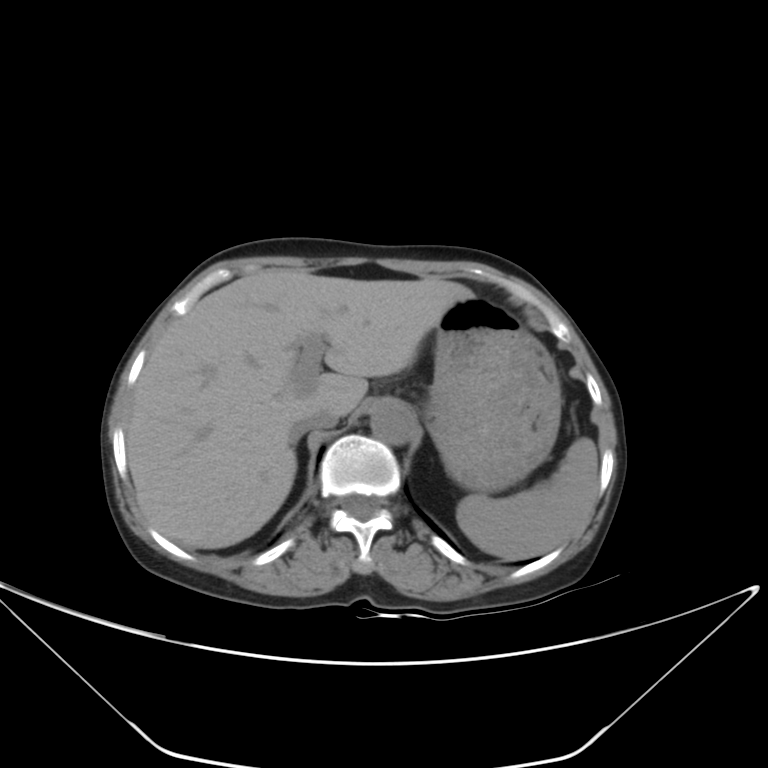 Computed tomography, abdomen · axial view · 768x768 px
Coordinates as <box>x1,y1,x2,y2</box> in pixels.
Organ bounding boxes:
- liver: <box>125,270,473,548</box>
- aorta: <box>370,402,414,445</box>
- inferior vena cava: <box>290,410,339,441</box>
- stomach: <box>426,294,562,493</box>
- spleen: <box>456,437,598,560</box>